Computed tomography, abdomen · axial view · soft-tissue window · 15 organs annotated in this scan (counted over the whole 3D scan, not this slice; an organ is boxed only where this slice passes through it)
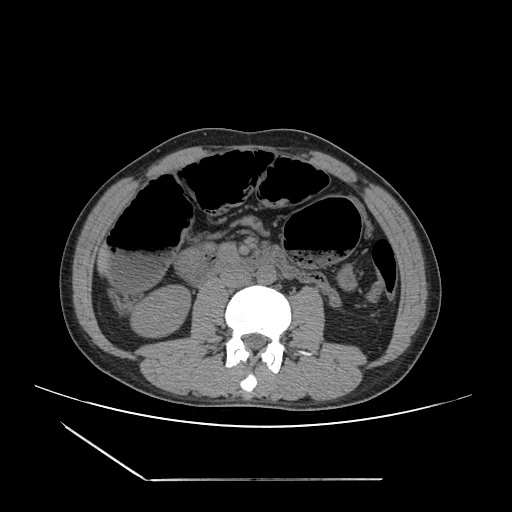

One row per box, in pixels: columns x1 and y1 give the top-left corner, x2 and y2 the bottom-right.
| organ | x1 | y1 | x2 | y2 |
|---|---|---|---|---|
| right kidney | 130 | 285 | 190 | 337 |
| liver | 97 | 245 | 109 | 274 |
| stomach | 338 | 269 | 358 | 291 |
| aorta | 256 | 264 | 276 | 284 |
| inferior vena cava | 220 | 270 | 251 | 288 |
| duodenum | 185 | 250 | 297 | 285 |